Lower-chest slice from an abdominal CT, just above the liver and spleen; axial view
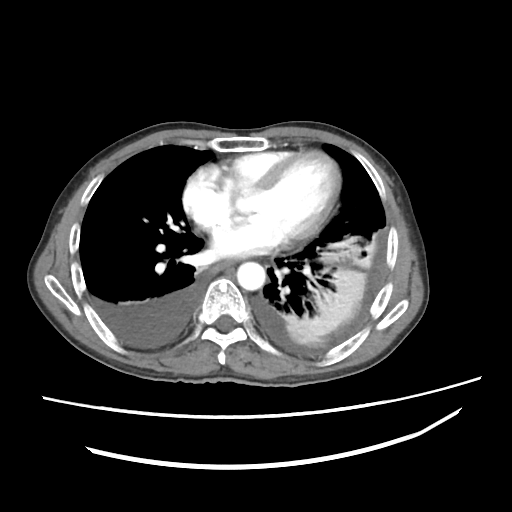
Of the structures in the chest, this dataset labels only the esophagus, the aorta and the inferior vena cava; the heart and lungs have no label.
Coordinates as <box>x1,y1,x2,y2</box> in pixels.
Organ bounding boxes:
- esophagus: <box>210,260,231,272</box>
- aorta: <box>237,261,267,291</box>